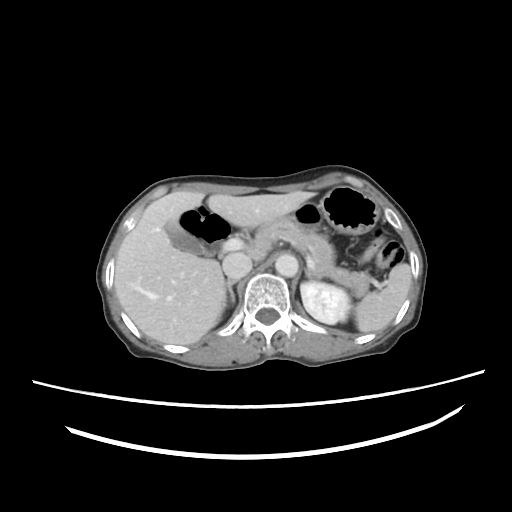
Abdominal CT; axial view; W/L 400/40 HU; acquired on Aquilion ONE; scan has 15 labeled organs (a whole-scan count: organs this slice does not pass through have no box)
Box edges are left/top/right/bottom in pixels. 10 labeled organs on this slice — spleen at left=353, top=263, right=411, bottom=333; left kidney at left=301, top=280, right=350, bottom=323; gall bladder at left=163, top=220, right=204, bottom=254; liver at left=115, top=190, right=315, bottom=345; stomach at left=288, top=184, right=378, bottom=233; aorta at left=276, top=254, right=298, bottom=277; inferior vena cava at left=222, top=252, right=252, bottom=279; pancreas at left=257, top=219, right=369, bottom=297; right adrenal gland at left=226, top=280, right=238, bottom=302; left adrenal gland at left=306, top=267, right=311, bottom=279.